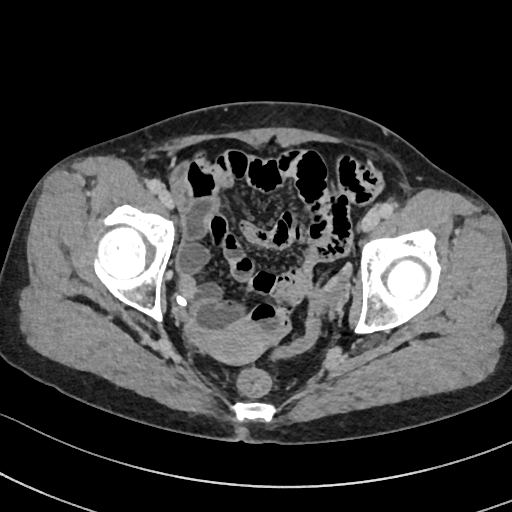

Abdominal CT; axial view; soft-tissue window (W 400 / L 40); 15 organs annotated in this scan (that count is for the whole scan; organs this slice misses have no box)
{"organs":{"prostate/uterus":[201,323,268,364]}}